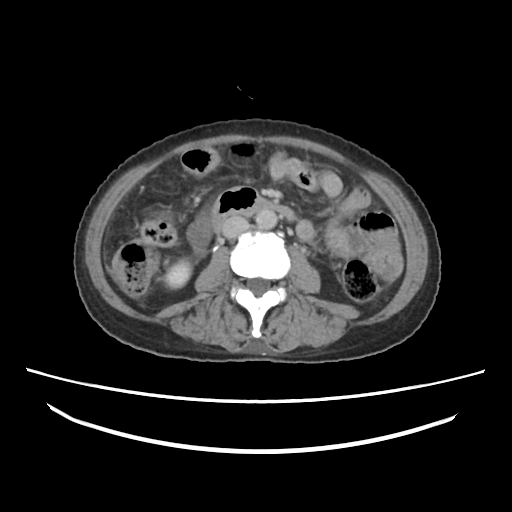

CT, abdomen/pelvis — axial view — soft-tissue window — 512x512 px
Box edges are left/top/right/bottom in pixels.
Organ bounding boxes:
- inferior vena cava: left=222, top=215, right=248, bottom=237
- aorta: left=255, top=208, right=277, bottom=228
- duodenum: left=209, top=185, right=295, bottom=229
- right kidney: left=165, top=259, right=190, bottom=289